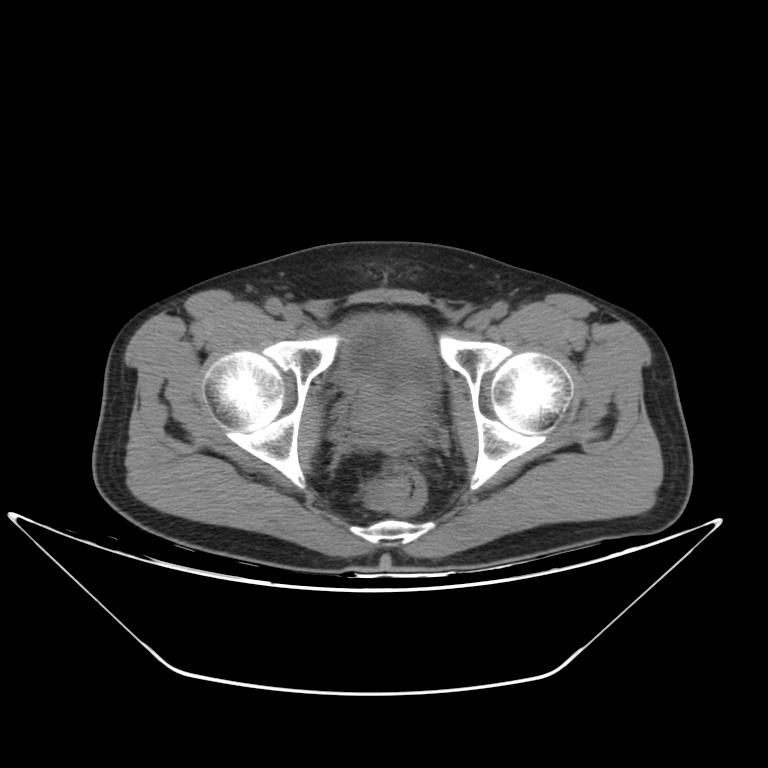
CT, abdomen/pelvis — Axial slice 28/104 — acquired on Brilliance16
{"organs":{"bladder":[340,319,440,394],"prostate/uterus":[351,382,421,431]}}